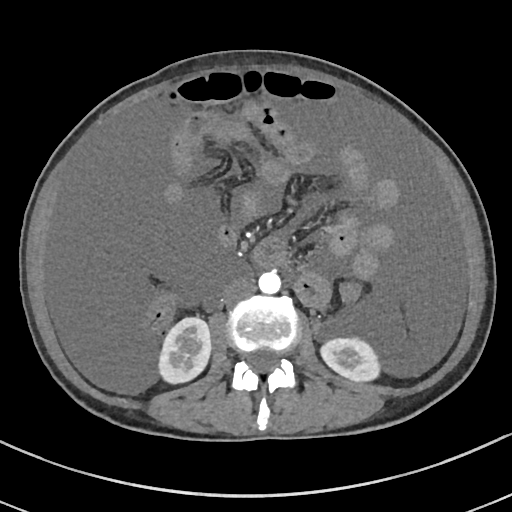
Abdominal CT · axial view · 512x512 px · SOMATOM Force scanner
Box edges are left/top/right/bottom in pixels.
right kidney: left=158, top=317, right=210, bottom=383
left kidney: left=321, top=338, right=379, bottom=381
aorta: left=258, top=271, right=281, bottom=293
inferior vena cava: left=223, top=279, right=254, bottom=304